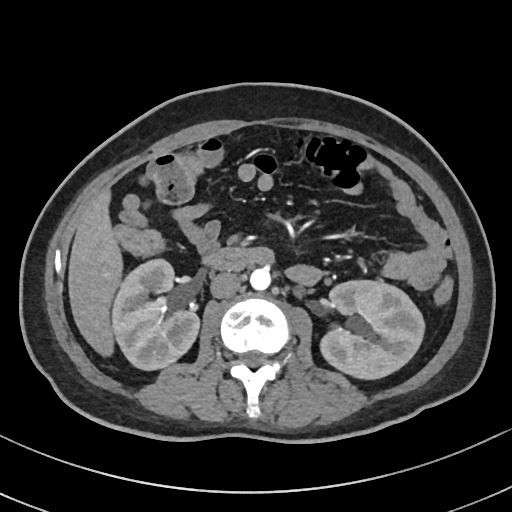 CT abdomen; axial view; soft-tissue window (W 400 / L 40); 512x512 px; SOMATOM Force scanner
{"organs":{"right kidney":[111,259,198,369],"left kidney":[322,280,423,379],"liver":[69,193,121,354],"aorta":[250,267,270,289],"inferior vena cava":[210,272,241,298],"duodenum":[203,247,272,270]}}